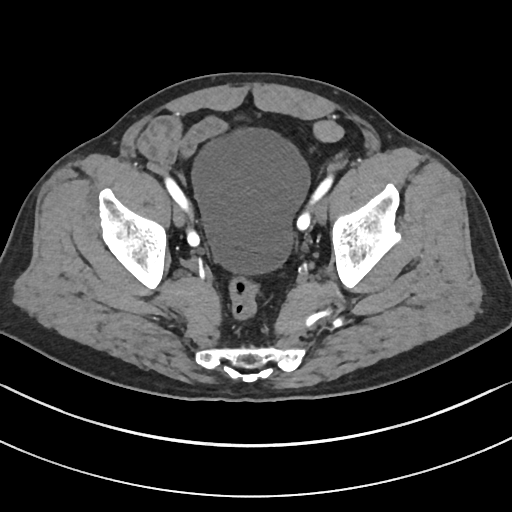
CT abdomen; axial view; soft-tissue window (W 400 / L 40); 512x512 px
Bounding boxes as [x1, y1, x2, y2] in pixel coordinates. The annotated organs in this slice are: bladder at [194, 128, 309, 272].